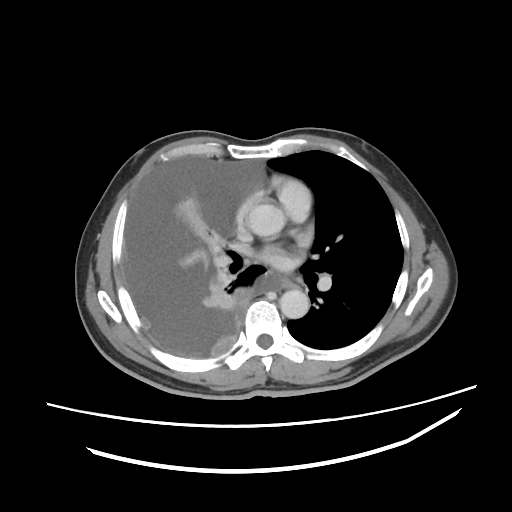

Chest-level slice from an abdominal CT that extends up into the chest. axial view. W/L 400/40 HU. 49-year-old male patient
On a slice this high in the chest, this dataset labels only the esophagus and the aorta, and each is boxed only where it is labeled; the heart, lungs and other chest structures are not labeled.
<organs><organ name="esophagus" x1="280" y1="278" x2="290" y2="288"/><organ name="aorta" x1="250" y1="205" x2="284" y2="235"/><organ name="aorta" x1="279" y1="289" x2="309" y2="318"/></organs>